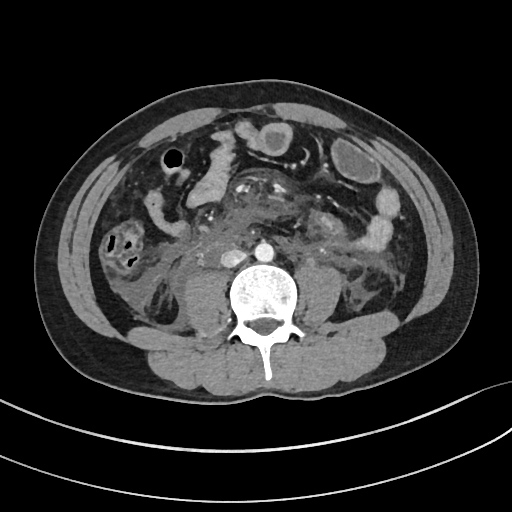 CT abdomen · Axial slice 113/251 · 512x512 px · acquired on SOMATOM Force
One row per box, in pixels: columns x1 and y1 give the top-left corner, x2 and y2 the bottom-right.
| organ | x1 | y1 | x2 | y2 |
|---|---|---|---|---|
| aorta | 254 | 241 | 274 | 261 |
| inferior vena cava | 220 | 249 | 247 | 267 |